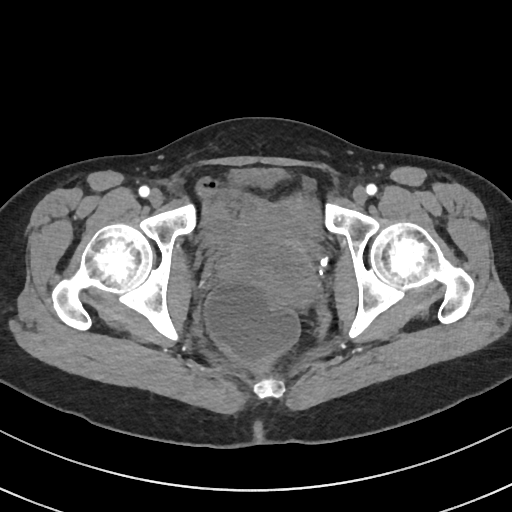 CT, abdomen/pelvis. axial plane, index 46. soft-tissue window (W 400 / L 40). scan has 15 labeled organs (a whole-scan count: organs this slice does not pass through have no box)
<organs><organ name="bladder" x1="207" y1="203" x2="323" y2="246"/><organ name="prostate/uterus" x1="219" y1="238" x2="318" y2="305"/></organs>